Abdominal MRI — axial plane, index 47 — Prisma scanner — scan has 13 labeled organs (counted over the whole 3D scan, not this slice; an organ is boxed only where this slice passes through it)
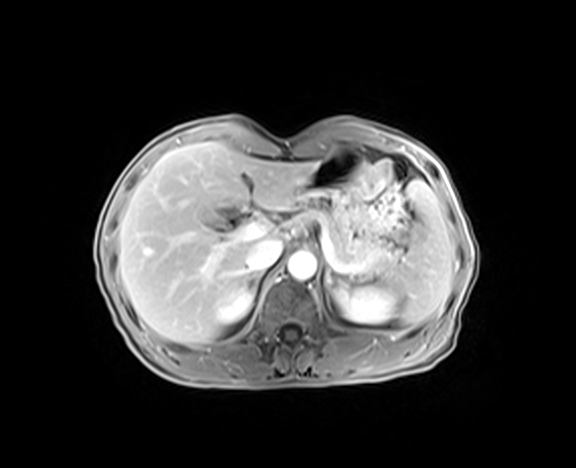
Box edges are left/top/right/bottom in pixels.
Organ bounding boxes:
- left adrenal gland: left=326, top=269, right=330, bottom=289
- liver: left=118, top=141, right=317, bottom=345
- stomach: left=296, top=145, right=361, bottom=201
- inferior vena cava: left=246, top=239, right=283, bottom=272
- left kidney: left=332, top=285, right=399, bottom=323
- pancreas: left=300, top=208, right=397, bottom=277
- right kidney: left=214, top=285, right=254, bottom=324
- right adrenal gland: left=250, top=272, right=330, bottom=290
- spleen: left=384, top=181, right=453, bottom=327
- aorta: left=288, top=252, right=316, bottom=280